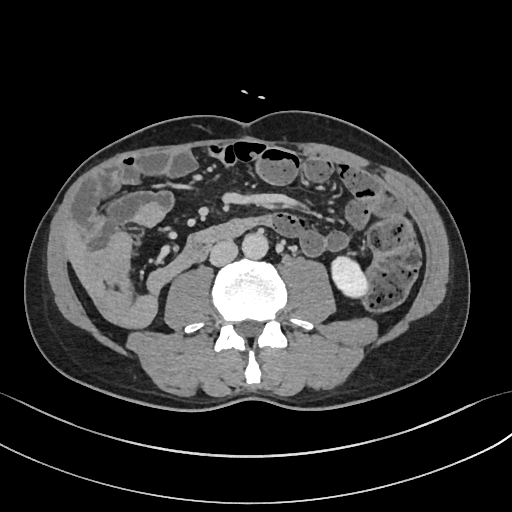

CT, abdomen/pelvis; Axial slice 127/230; 512x512 px
Boxes: x1 y1 x2 y2 (pixel coords, space-separated). Labeled organs on this slice: left kidney at 331 256 367 297, aorta at 242 232 268 259, inferior vena cava at 210 240 238 266.